Computed tomography, abdomen; axial plane, index 162; 15 organs annotated in this scan (counted over the whole 3D scan, not this slice; an organ is boxed only where this slice passes through it)
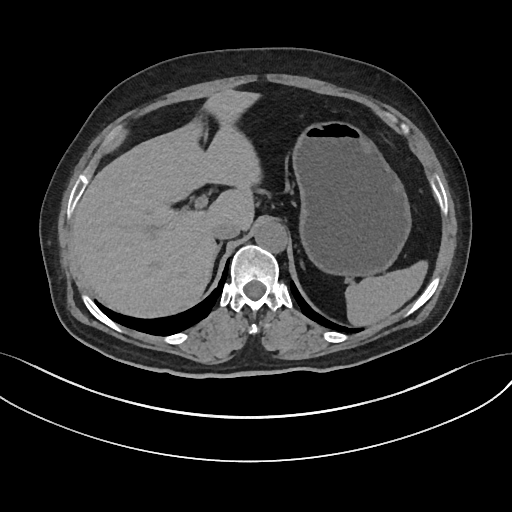 {"organs":{"spleen":[344,262,426,326],"liver":[71,90,260,316],"stomach":[293,122,411,276],"aorta":[255,222,287,253],"inferior vena cava":[213,221,240,239],"right adrenal gland":[219,244,221,250]}}